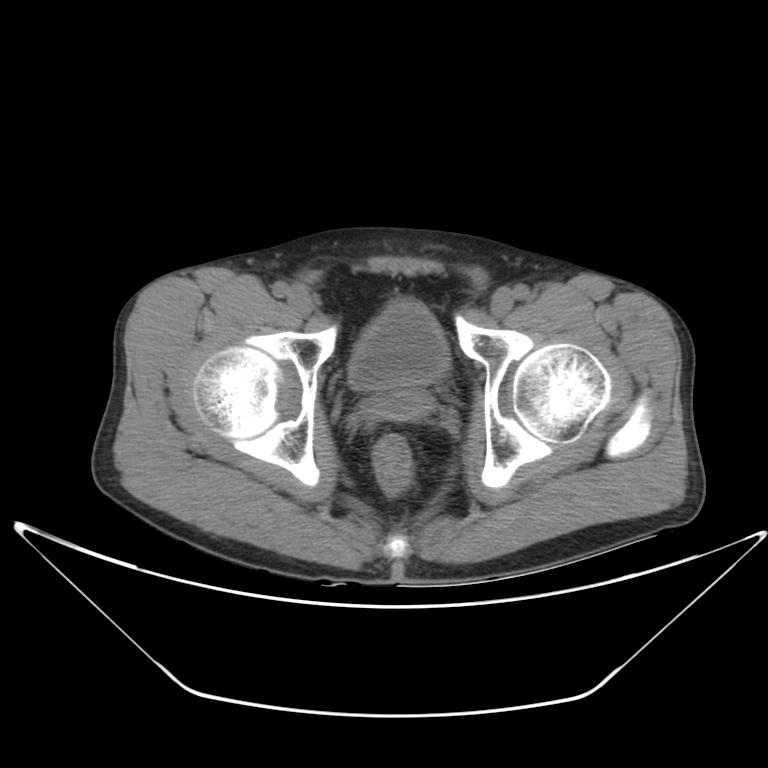 Abdominal CT; axial view; abdomen soft-tissue window; 51-year-old male patient
Boxes are (x1, y1, x2, y2) in pixels.
bladder: (349, 298, 448, 390)
prostate/uterus: (371, 389, 433, 420)